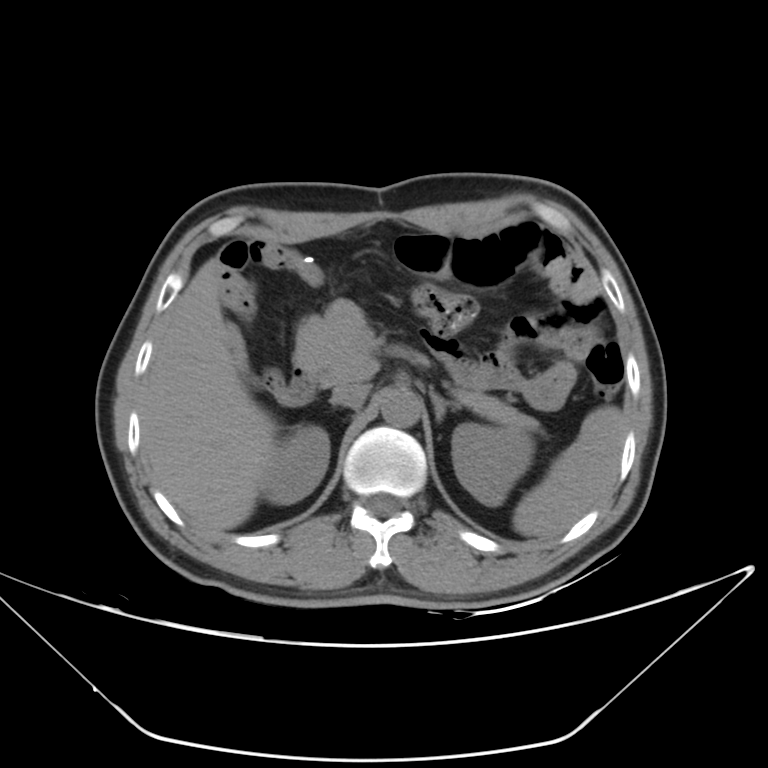
CT abdomen — axial view — 768x768 px — 50-year-old male patient — Brilliance16 scanner
{"organs":{"stomach":[449,236,517,289],"inferior vena cava":[331,385,368,408],"aorta":[380,389,421,427],"duodenum":[268,366,315,406],"pancreas":[294,300,539,432],"liver":[140,259,276,532],"right kidney":[261,425,329,504],"left adrenal gland":[430,389,460,422],"spleen":[512,405,626,537],"left kidney":[452,423,534,506]}}